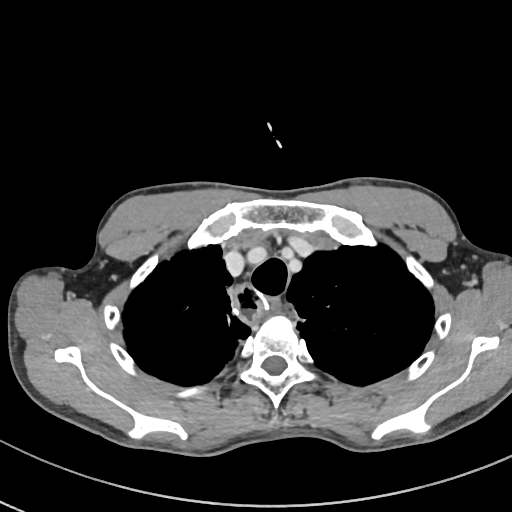
Chest-level CT slice, above the liver and spleen · axial plane, index 280 · soft-tissue window, W/L 400/40
On a slice this high in the chest, this dataset labels only the esophagus and the aorta, and each is boxed only where it is labeled; the heart, lungs and other chest structures are not labeled. Bounding boxes as [x1, y1, x2, y2] in pixel coordinates. The annotated organs in this slice are: esophagus at [234, 284, 277, 323].